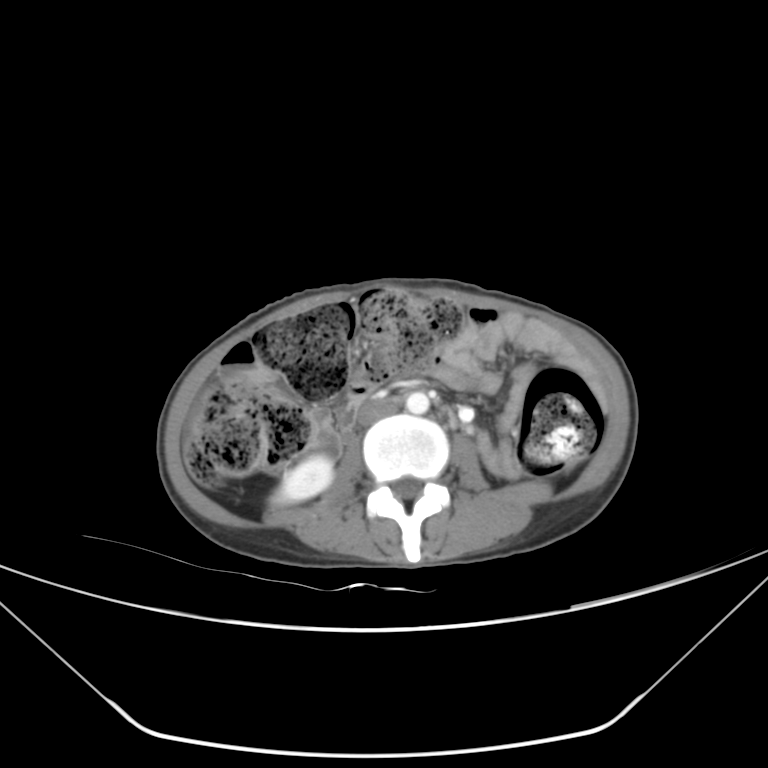
CT abdomen; axial view; abdomen soft-tissue window; 15 organs annotated in this scan (counted over the whole 3D scan, not this slice; an organ is boxed only where this slice passes through it)
{"organs":{"aorta":[406,392,429,413],"right kidney":[271,455,332,505],"inferior vena cava":[358,397,400,425]}}